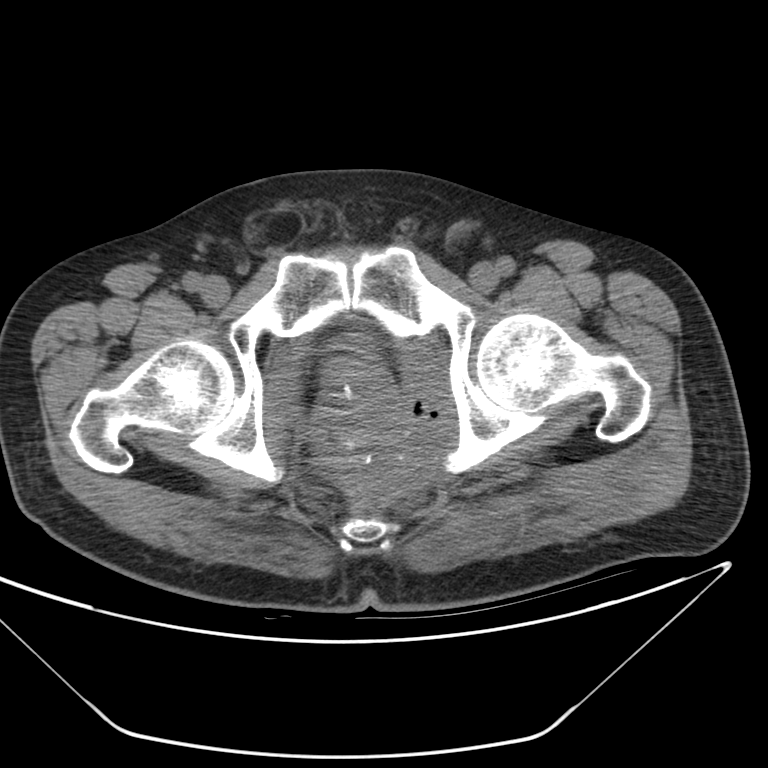

CT, abdomen/pelvis; Axial slice 14/103; acquired on Brilliance16
<organs><organ name="prostate/uterus" x1="323" y1="385" x2="372" y2="419"/></organs>